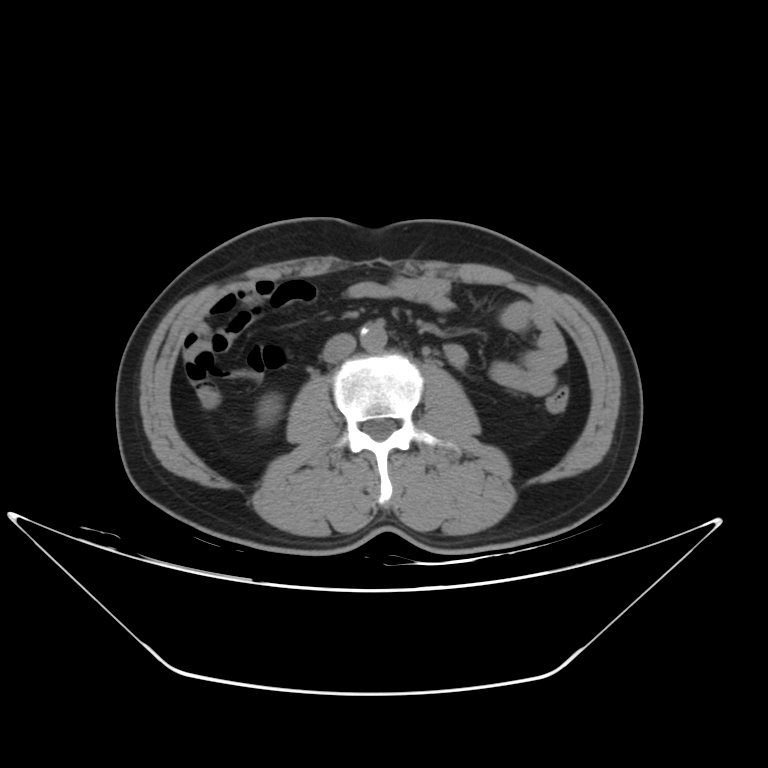

CT, abdomen/pelvis. axial view. soft-tissue window (W 400 / L 40). 768x768 px. scan has 15 labeled organs (counted over the whole 3D scan, not this slice; an organ is boxed only where this slice passes through it)
Organ boxes in pixel coordinates; each row gives the top-left (x1, y1) and bottom-right (x2, y2) corners.
| organ | x1 | y1 | x2 | y2 |
|---|---|---|---|---|
| right kidney | 260 | 398 | 282 | 418 |
| inferior vena cava | 322 | 334 | 356 | 361 |
| aorta | 359 | 322 | 387 | 351 |